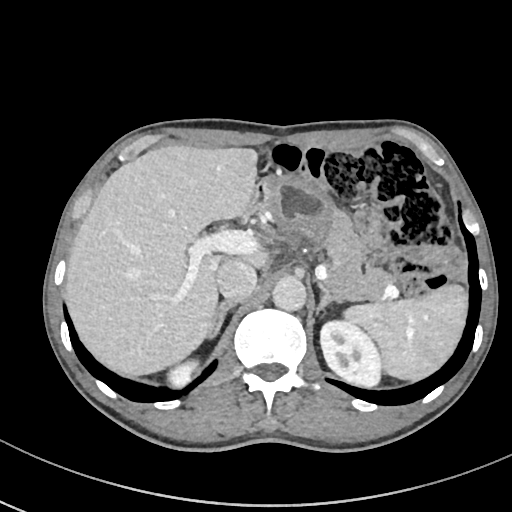 Computed tomography, abdomen; axial view; SOMATOM Force scanner
{"organs":{"spleen":[340,283,467,380],"right kidney":[166,362,198,387],"left kidney":[319,320,380,388],"liver":[65,144,267,376],"stomach":[260,175,337,253],"aorta":[272,277,306,311],"inferior vena cava":[215,258,256,300],"pancreas":[325,209,389,301],"right adrenal gland":[208,300,237,339],"left adrenal gland":[319,286,339,315],"duodenum":[243,182,265,222]}}